Abdominal CT. axial view. W/L 400/40 HU. 512x512 px. 15 organs annotated in this scan (a whole-scan count: organs this slice does not pass through have no box)
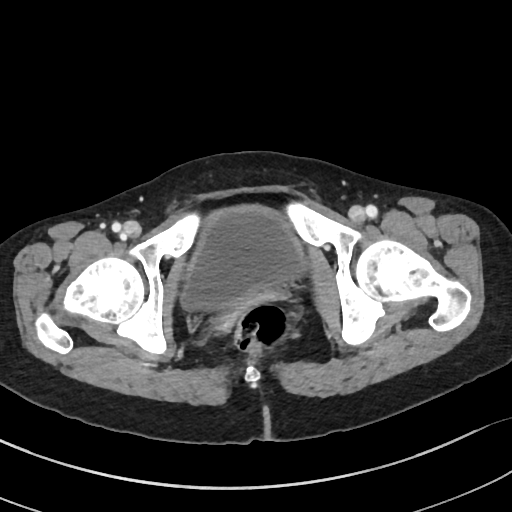

{"organs":{"bladder":[182,206,303,309]}}